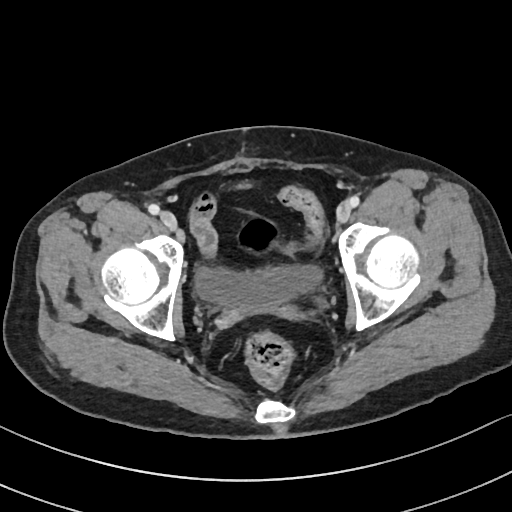
CT abdomen. axial plane, index 38. W/L 400/40 HU. scan has 14 labeled organs (a whole-scan count: organs this slice does not pass through have no box)
Bounding boxes as [x1, y1, x2, y2] in pixel coordinates.
Organ bounding boxes:
- bladder: [196, 265, 322, 311]